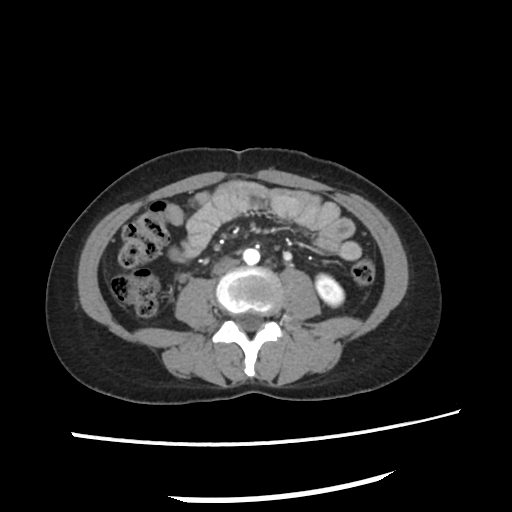
CT abdomen; axial plane, index 47; Aquilion ONE scanner
Boxes: x1 y1 x2 y2 (pixel coords, space-separated).
aorta: 243 248 259 264
left kidney: 316 273 345 304
inferior vena cava: 212 258 239 273